Abdominal CT · axial plane, index 72 · 512x512 px · 59-year-old male patient · acquired on Aquilion ONE · scan has 15 labeled organs (that count is for the whole scan; organs this slice misses have no box)
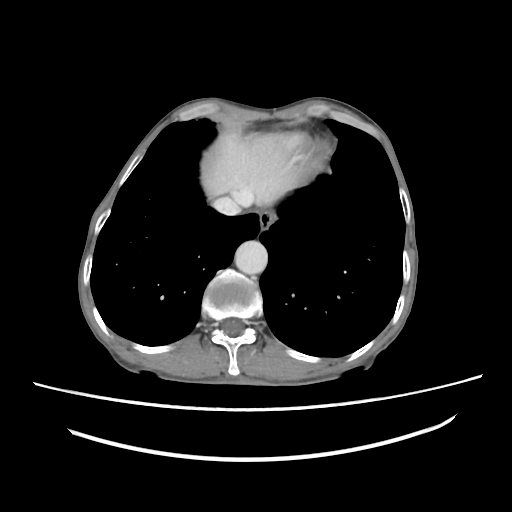

Boxes: x1:y1:x2:y2 in pixels. Labeled organs on this slice: esophagus at 259:210:275:230, liver at 202:133:296:206, inferior vena cava at 213:196:241:215, aorta at 235:240:267:274.